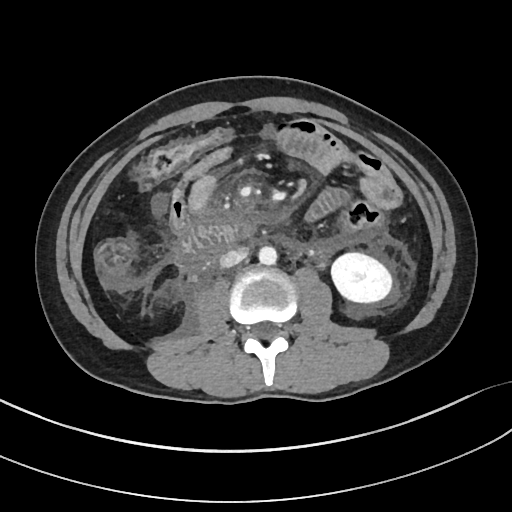

Abdominal CT · Axial slice 127/251 · scan has 15 labeled organs (that count is for the whole scan; organs this slice misses have no box)
Box edges are left/top/right/bottom in pixels. 4 labeled organs on this slice — aorta at left=258, top=246, right=277, bottom=265; inferior vena cava at left=219, top=249, right=247, bottom=267; duodenum at left=177, top=219, right=252, bottom=258; left kidney at left=331, top=252, right=391, bottom=302.